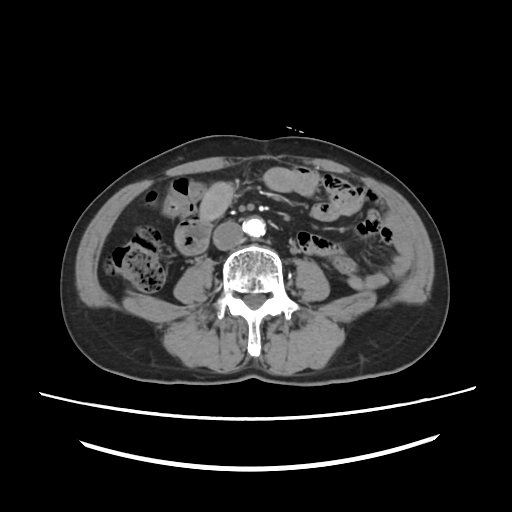 CT abdomen; axial view; soft-tissue window; 512x512 px
Bounding boxes in pixels, one row per box: x1, y1 is the top-left corner and x2, y2 the bottom-right.
| organ | x1 | y1 | x2 | y2 |
|---|---|---|---|---|
| aorta | 243 | 218 | 265 | 237 |
| inferior vena cava | 213 | 221 | 243 | 249 |